Computed tomography, abdomen. axial view
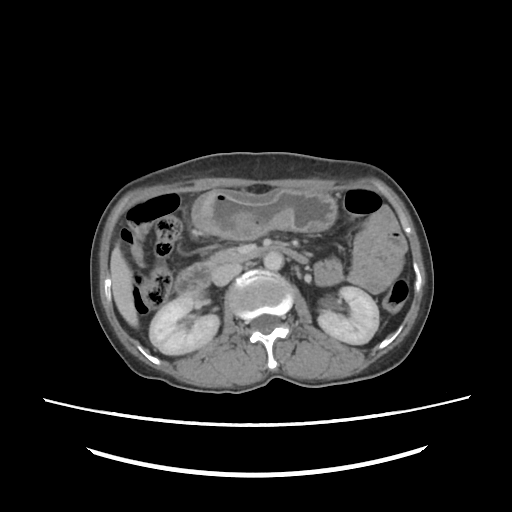 Organ boxes in pixel coordinates; each row gives the top-left (x1, y1) and bottom-right (x2, y2) corners.
| organ | x1 | y1 | x2 | y2 |
|---|---|---|---|---|
| liver | 111 | 246 | 139 | 325 |
| duodenum | 175 | 246 | 310 | 296 |
| right kidney | 149 | 291 | 219 | 354 |
| aorta | 264 | 252 | 282 | 270 |
| left kidney | 318 | 286 | 378 | 345 |
| stomach | 192 | 188 | 337 | 238 |
| pancreas | 206 | 247 | 257 | 264 |
| inferior vena cava | 211 | 263 | 240 | 285 |